Abdominal CT; axial view; soft-tissue window; Aquilion ONE scanner
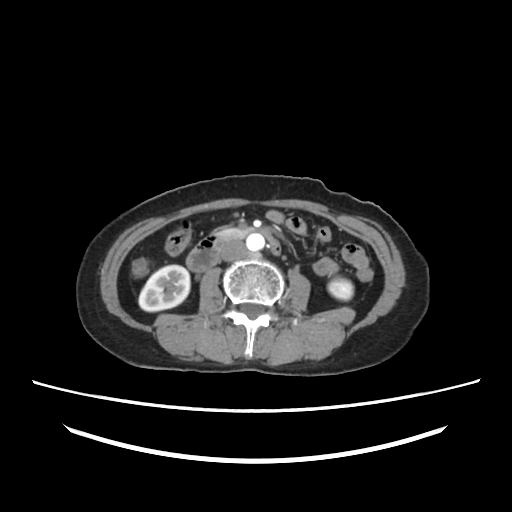

Boxes are (x1, y1, x2, y2) in pixels. The annotated organs in this slice are: right kidney at (139, 265, 189, 311), left kidney at (328, 278, 353, 300), aorta at (246, 233, 264, 251), inferior vena cava at (221, 240, 247, 261), pancreas at (220, 231, 229, 234), duodenum at (186, 228, 281, 271).